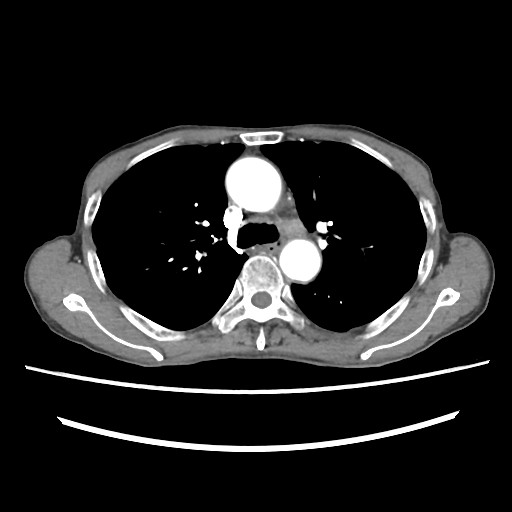 Abdominal CT reaching into the chest; this slice is in the chest; axial plane, index 100
At this level of the chest this dataset labels only the esophagus and the aorta, and each is boxed only where it is labeled; the heart and lungs are never labeled.
One row per box, in pixels: columns x1 and y1 give the top-left corner, x2 and y2 the bottom-right.
| organ | x1 | y1 | x2 | y2 |
|---|---|---|---|---|
| esophagus | 267 | 238 | 284 | 254 |
| aorta | 225 | 157 | 281 | 212 |
| aorta | 279 | 239 | 320 | 281 |